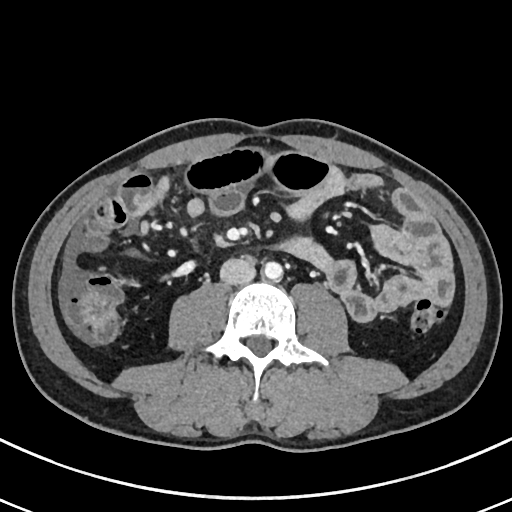 CT, abdomen/pelvis — axial view — soft-tissue window
Bounding boxes as [x1, y1, x2, y2] in pixel coordinates.
Organ bounding boxes:
- aorta: [263, 262, 282, 280]
- inferior vena cava: [220, 258, 255, 284]